Abdominal CT · axial view · Brilliance16 scanner · 15 organs annotated in this scan (a whole-scan count: organs this slice does not pass through have no box)
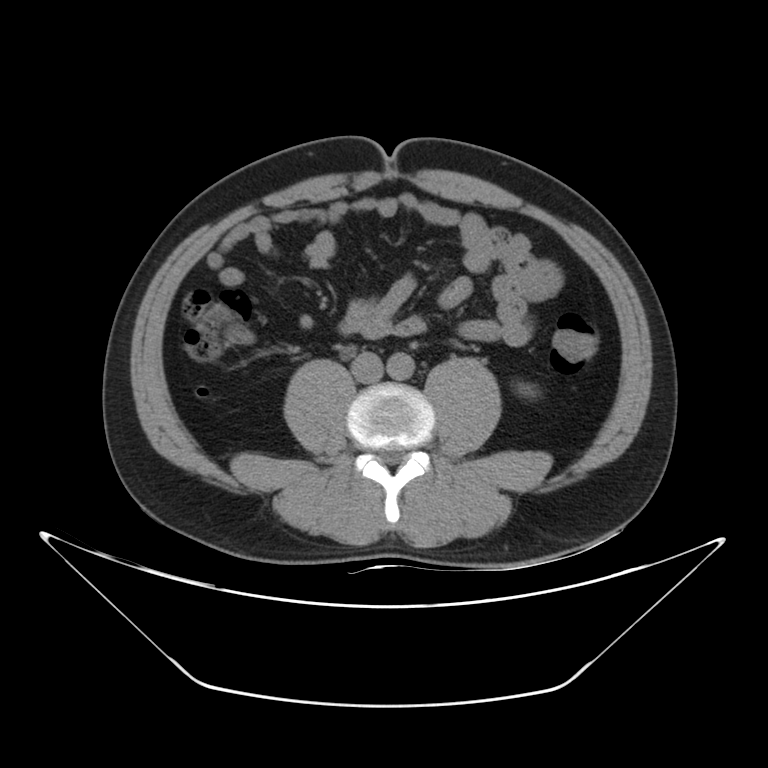 Each box given as x1,y1,x2,y2.
Organ bounding boxes:
- left kidney: x1=517, y1=383, x2=535, y2=397
- aorta: x1=387, y1=352, x2=413, y2=380
- inferior vena cava: x1=351, y1=351, x2=382, y2=382